Abdominal CT — Axial slice 223/265 — 512x512 px
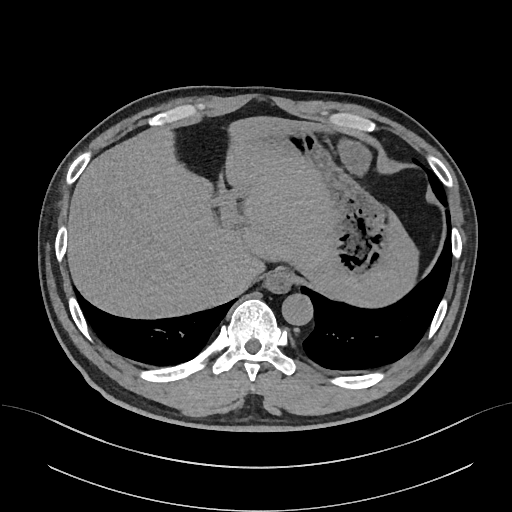

Boxes are (x1, y1, x2, y2) in pixels.
Organ bounding boxes:
- aorta: (281, 293, 312, 325)
- liver: (68, 117, 417, 317)
- esophagus: (264, 271, 292, 293)
- inferior vena cava: (232, 268, 256, 293)
- stomach: (285, 131, 388, 276)